Abdominal CT · axial plane, index 39 · soft-tissue window (W 400 / L 40) · 512x512 px · scan has 15 labeled organs (a whole-scan count: organs this slice does not pass through have no box)
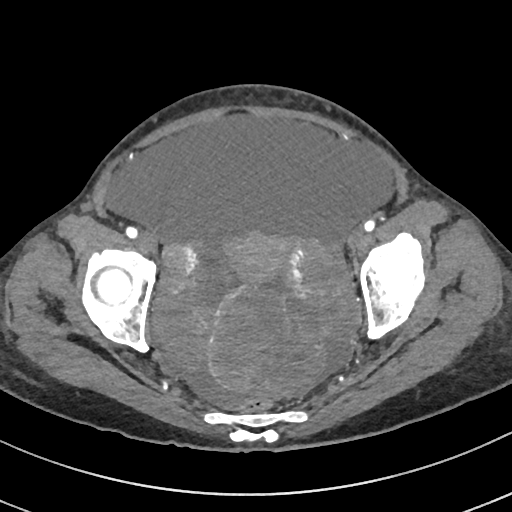

Each box given as x1,y1,x2,y2. Labeled organs on this slice: prostate/uterus at x1=223, y1=232, x2=288, y2=283.